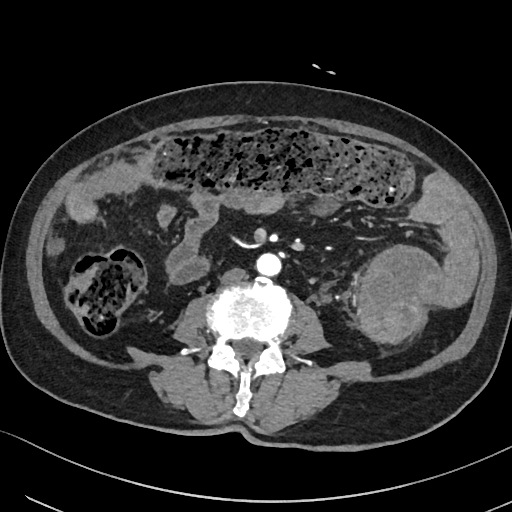 Computed tomography, abdomen. axial plane, index 121. soft-tissue window
Organ boxes in pixel coordinates; each row gives the top-left (x1, y1) and bottom-right (x2, y2) corners.
| organ | x1 | y1 | x2 | y2 |
|---|---|---|---|---|
| inferior vena cava | 220 | 267 | 245 | 284 |
| aorta | 256 | 253 | 281 | 276 |